MRI, abdomen · coronal plane, index 93 · 1st–99th percentile window
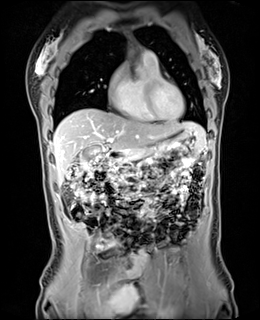 One row per box, in pixels: columns x1 and y1 give the top-left corner, x2 and y2 the bottom-right.
| organ | x1 | y1 | x2 | y2 |
|---|---|---|---|---|
| duodenum | 106 | 150 | 126 | 161 |
| gall bladder | 80 | 145 | 104 | 163 |
| liver | 53 | 108 | 205 | 185 |
| aorta | 134 | 67 | 146 | 77 |
| stomach | 123 | 127 | 204 | 161 |
| pancreas | 112 | 160 | 127 | 175 |